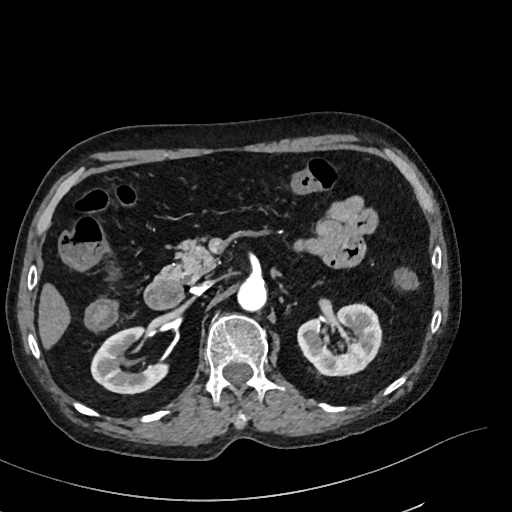
Computed tomography, abdomen — axial view — soft-tissue window — 512x512 px — 15 organs annotated in this scan (that count is for the whole scan; organs this slice misses have no box)
<organs><organ name="right kidney" x1="91" y1="325" x2="168" y2="393"/><organ name="left kidney" x1="298" y1="303" x2="382" y2="375"/><organ name="liver" x1="38" y1="286" x2="68" y2="347"/><organ name="aorta" x1="238" y1="276" x2="266" y2="309"/><organ name="inferior vena cava" x1="192" y1="280" x2="213" y2="294"/><organ name="pancreas" x1="157" y1="240" x2="218" y2="282"/><organ name="duodenum" x1="145" y1="277" x2="184" y2="309"/></organs>